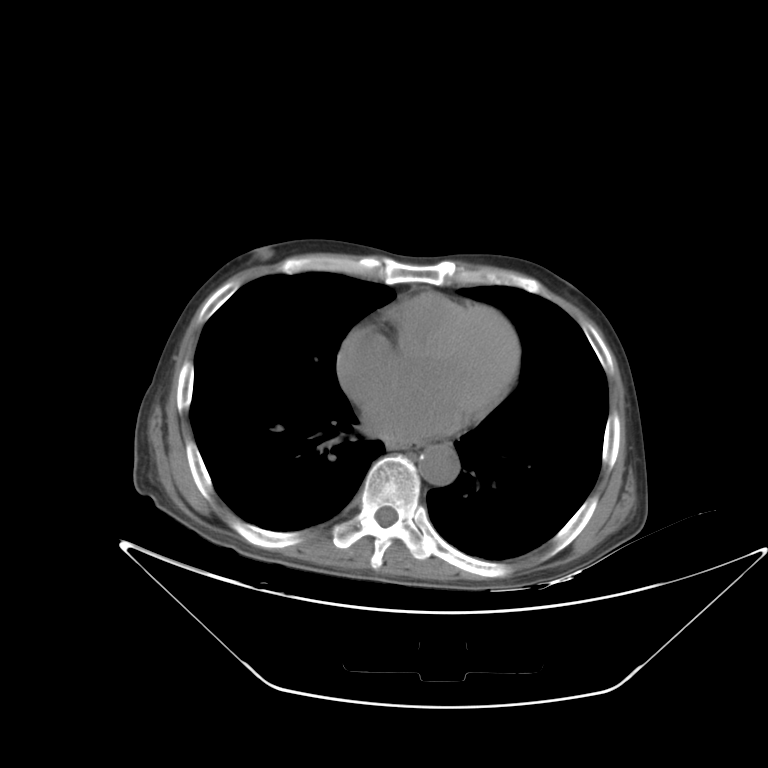
Lower-chest slice from an abdominal CT, just above the liver and spleen; axial view; W/L 400/40 HU; 56-year-old male patient; acquired on Brilliance16
Of the structures in the chest, this dataset labels only the esophagus, the aorta and the inferior vena cava; the heart and lungs have no label.
Bounding boxes in pixels, one row per box: x1, y1 is the top-left corner and x2, y2 the bottom-right.
| organ | x1 | y1 | x2 | y2 |
|---|---|---|---|---|
| esophagus | 387 | 440 | 420 | 447 |
| aorta | 418 | 444 | 459 | 485 |